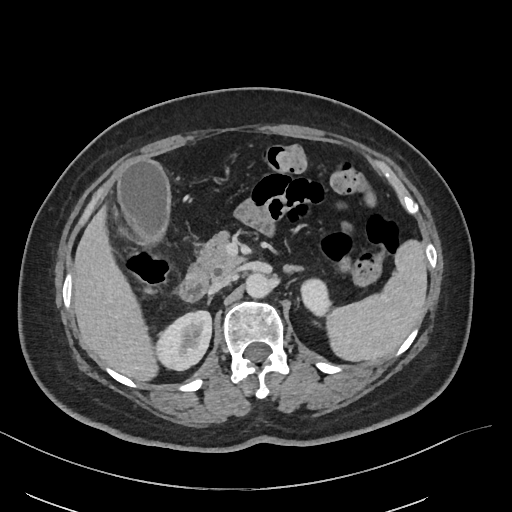
CT abdomen · Axial slice 168/244 · 512x512 px
Boxes: x1 y1 x2 y2 (pixel coords, space-separated).
spleen: 326 238 428 362
right kidney: 156 311 212 370
left kidney: 301 279 331 315
gall bladder: 118 160 169 247
liver: 73 205 158 381
stomach: 161 168 163 174
aorta: 246 273 273 299
inferior vena cava: 212 272 234 289
pancreas: 191 230 242 277
left adrenal gland: 284 265 301 272
duodenum: 179 269 208 301